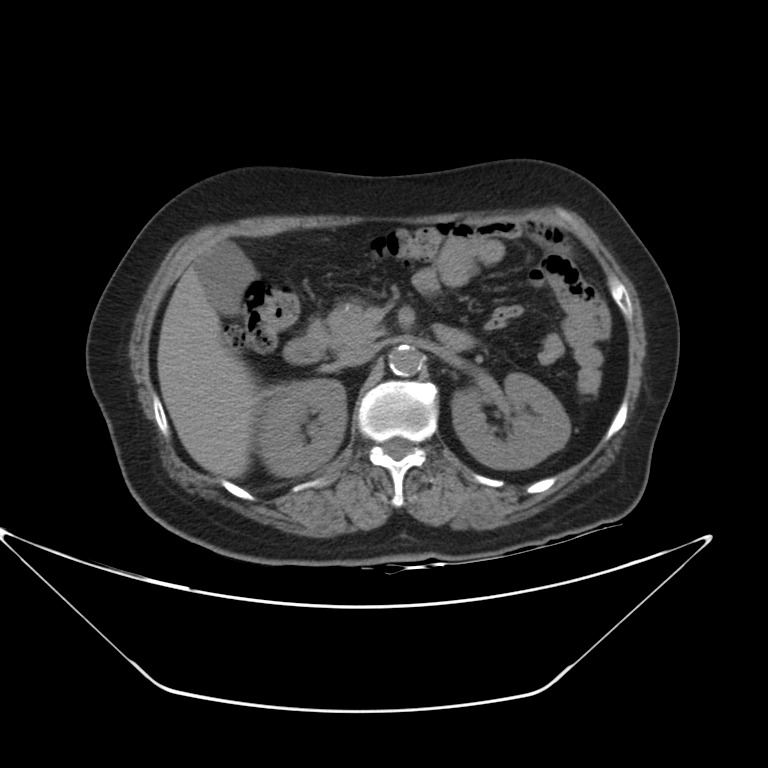 CT abdomen · axial plane, index 65
<organs><organ name="right kidney" x1="256" y1="379" x2="347" y2="476"/><organ name="left kidney" x1="451" y1="373" x2="570" y2="469"/><organ name="gall bladder" x1="194" y1="241" x2="255" y2="313"/><organ name="liver" x1="158" y1="264" x2="260" y2="477"/><organ name="aorta" x1="388" y1="344" x2="423" y2="376"/><organ name="inferior vena cava" x1="335" y1="344" x2="379" y2="367"/><organ name="pancreas" x1="318" y1="302" x2="378" y2="349"/><organ name="duodenum" x1="283" y1="322" x2="325" y2="364"/></organs>